Computed tomography, abdomen · axial view · 512x512 px · SOMATOM Force scanner
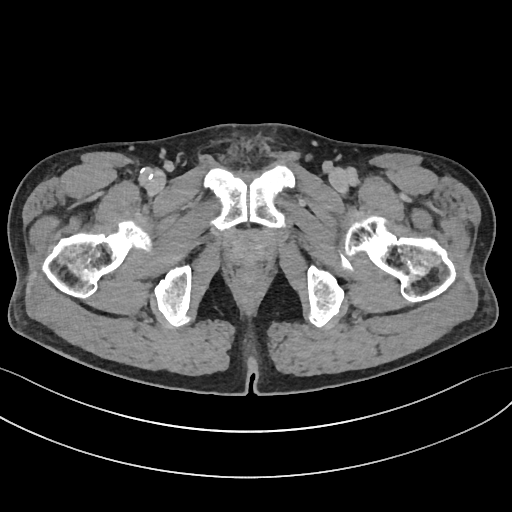
Boxes: x1:y1:x2:y2 in pixels. 1 labeled organ on this slice — prostate/uterus at 231:229:268:266.